CT, abdomen/pelvis · axial plane, index 95 · abdomen soft-tissue window · 47-year-old male patient · acquired on Brilliance16
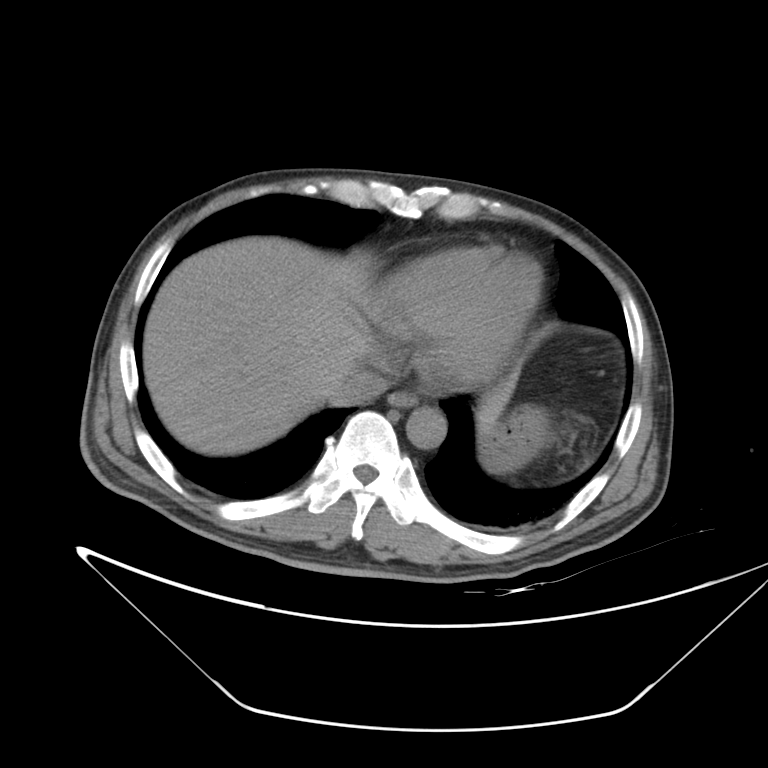 One row per box, in pixels: columns x1 and y1 give the top-left corner, x2 and y2 the bottom-right.
| organ | x1 | y1 | x2 | y2 |
|---|---|---|---|---|
| liver | 142 | 236 | 507 | 455 |
| aorta | 406 | 407 | 447 | 448 |
| inferior vena cava | 330 | 365 | 388 | 405 |
| esophagus | 387 | 391 | 417 | 406 |
| stomach | 480 | 405 | 553 | 472 |